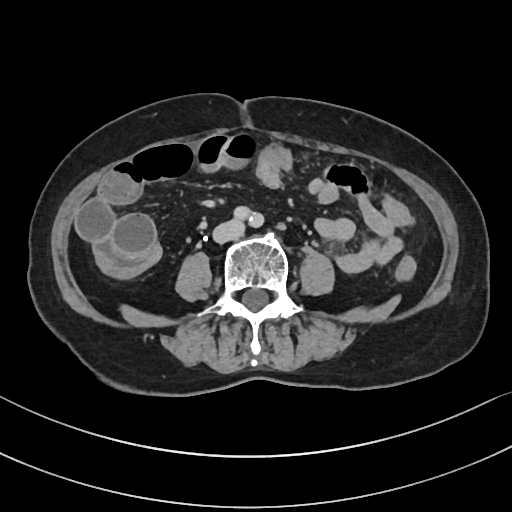

Abdominal CT · axial view · acquired on SOMATOM Force · 15 organs annotated in this scan (that count is for the whole scan; organs this slice misses have no box)
Organ boxes in pixel coordinates; each row gives the top-left (x1, y1) and bottom-right (x2, y2) corners.
| organ | x1 | y1 | x2 | y2 |
|---|---|---|---|---|
| aorta | 236 | 207 | 264 | 228 |
| inferior vena cava | 213 | 220 | 243 | 243 |